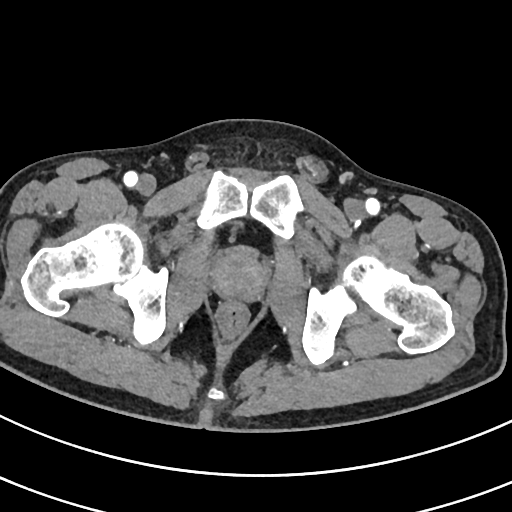 Computed tomography, abdomen · axial view · scan has 15 labeled organs (counted over the whole 3D scan, not this slice; an organ is boxed only where this slice passes through it)
<organs><organ name="prostate/uterus" x1="214" y1="251" x2="265" y2="299"/></organs>